Computed tomography, abdomen; axial view; soft-tissue window (W 400 / L 40); 768x768 px; scan has 15 labeled organs (counted over the whole 3D scan, not this slice; an organ is boxed only where this slice passes through it)
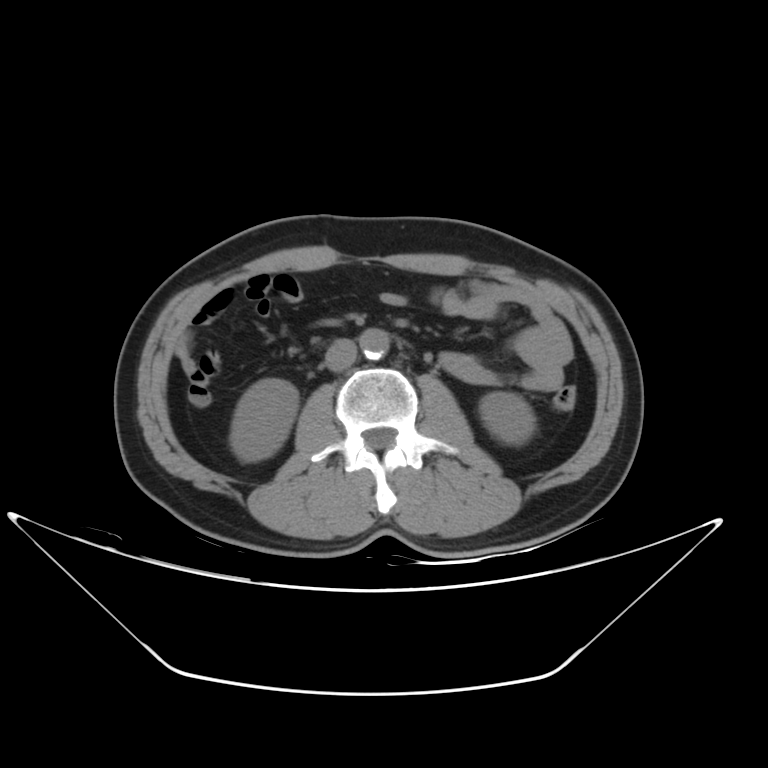
Bounding boxes as [x1, y1, x2, y2] in pixel coordinates.
Organ bounding boxes:
- right kidney: [231, 380, 296, 462]
- left kidney: [478, 390, 532, 442]
- aorta: [359, 328, 389, 359]
- inferior vena cava: [323, 339, 356, 372]